Abdominal CT; axial view; 54-year-old male patient
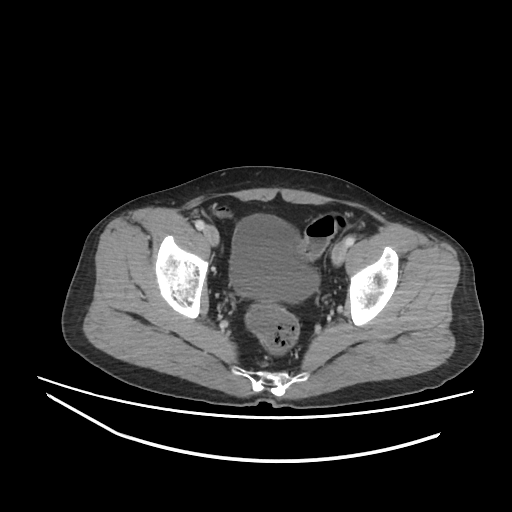 <organs><organ name="bladder" x1="229" y1="214" x2="319" y2="302"/></organs>